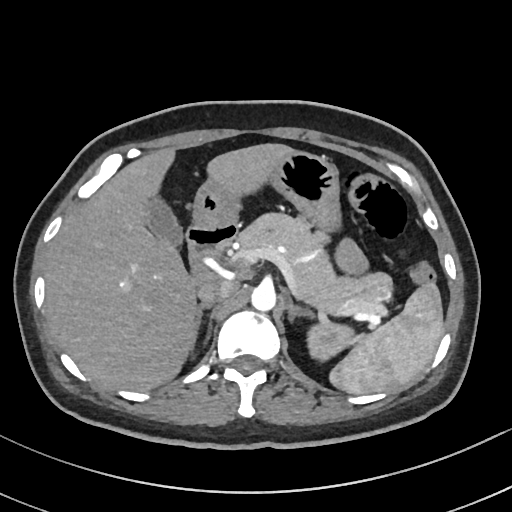

CT, abdomen/pelvis — axial view
Coordinates as <box>x1,y1,x2,y2</box> in pixels.
spleen: <box>329,283,443,394</box>
left kidney: <box>307,320,358,361</box>
gall bladder: <box>146,196,182,245</box>
liver: <box>45,143,293,391</box>
stomach: <box>193,150,340,231</box>
aorta: <box>251,284,276,311</box>
inferior vena cava: <box>196,277,234,304</box>
pancreas: <box>238,213,392,311</box>
right adrenal gland: <box>192,304,211,348</box>
left adrenal gland: <box>288,298,313,321</box>
duodenum: <box>186,222,238,273</box>